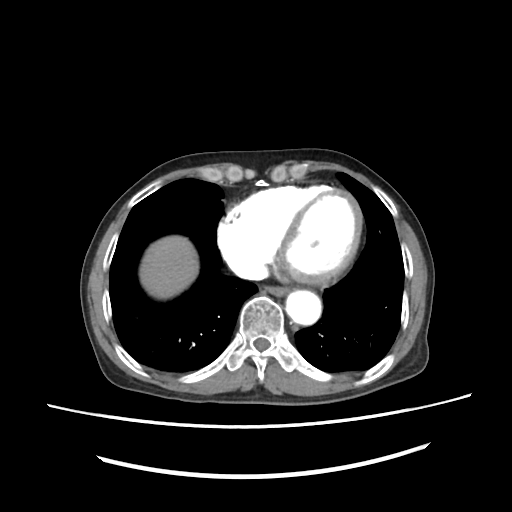
CT, abdomen/pelvis; axial view; 67-year-old male patient
Boxes: x1:y1:x2:y2 in pixels. The annotated organs in this slice are: esophagus at 268:287:288:297, liver at 140:238:198:297, aorta at 285:288:322:324, inferior vena cava at 227:255:268:278.